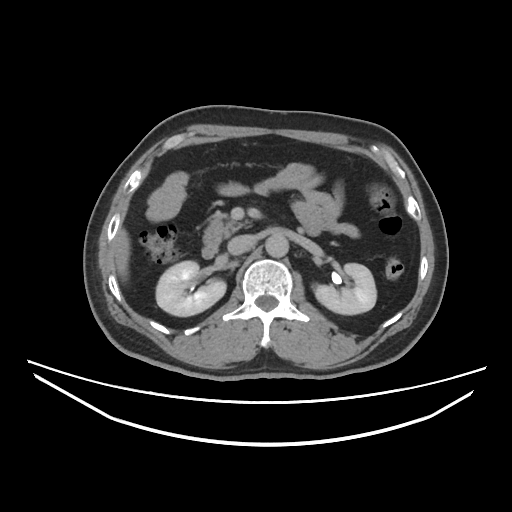

Abdominal CT · axial plane, index 81 · soft-tissue window · 512x512 px · 55-year-old male patient
Organ boxes in pixel coordinates; each row gives the top-left (x1, y1) and bottom-right (x2, y2) corners.
| organ | x1 | y1 | x2 | y2 |
|---|---|---|---|---|
| left kidney | 312 | 263 | 376 | 314 |
| inferior vena cava | 228 | 234 | 253 | 254 |
| aorta | 265 | 232 | 288 | 257 |
| liver | 114 | 228 | 128 | 278 |
| right kidney | 155 | 260 | 225 | 316 |
| duodenum | 202 | 244 | 218 | 258 |
| pancreas | 203 | 213 | 241 | 245 |